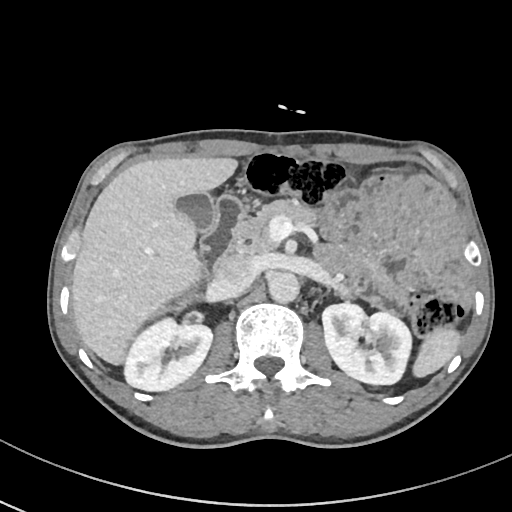

CT, abdomen/pelvis; Axial slice 152/306; soft-tissue window (W 400 / L 40)
{"organs":{"pancreas":[234,200,317,253],"aorta":[268,272,300,303],"right kidney":[124,318,212,391],"spleen":[412,326,460,377],"left kidney":[322,302,411,384],"gall bladder":[177,192,217,233],"liver":[71,156,237,364],"duodenum":[200,194,244,274],"inferior vena cava":[214,254,257,296]}}